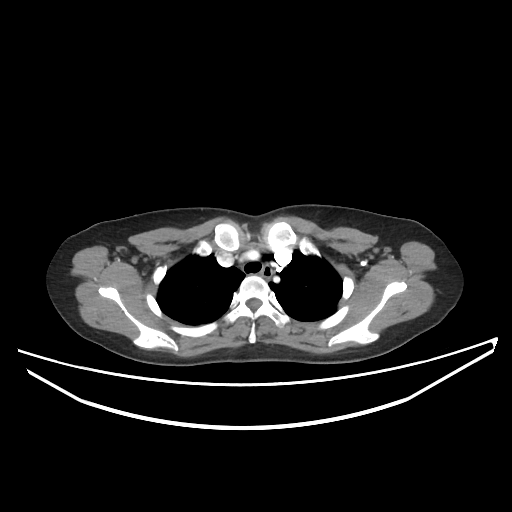 Chest-level CT slice, above the liver and spleen — Axial slice 118/126
On a slice this high in the chest, this dataset labels only the esophagus and the aorta, and each is boxed only where it is labeled; the heart, lungs and other chest structures are not labeled.
{"organs":{"esophagus":[261,265,273,277]}}